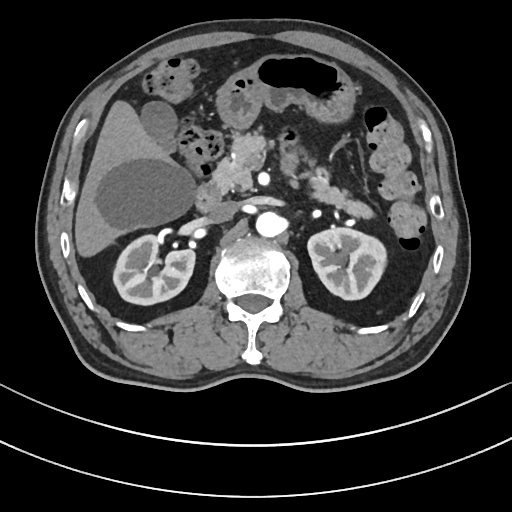
CT abdomen · axial view
<organs><organ name="right kidney" x1="114" y1="236" x2="195" y2="305"/><organ name="left kidney" x1="308" y1="228" x2="385" y2="300"/><organ name="gall bladder" x1="140" y1="101" x2="175" y2="151"/><organ name="liver" x1="74" y1="99" x2="192" y2="258"/><organ name="stomach" x1="215" y1="55" x2="356" y2="133"/><organ name="aorta" x1="255" y1="212" x2="284" y2="238"/><organ name="inferior vena cava" x1="209" y1="201" x2="236" y2="223"/><organ name="pancreas" x1="215" y1="131" x2="374" y2="220"/><organ name="duodenum" x1="194" y1="180" x2="223" y2="210"/></organs>